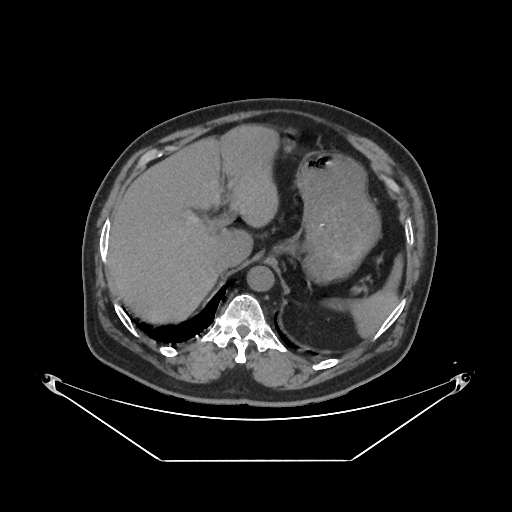

Computed tomography, abdomen; axial view; 512x512 px
Boxes: x1 y1 x2 y2 (pixel coords, space-separated). 5 labeled organs on this slice — spleen at 351 257 401 336; liver at 107 125 277 324; stomach at 282 127 380 283; aorta at 247 265 273 291; inferior vena cava at 211 252 235 272.